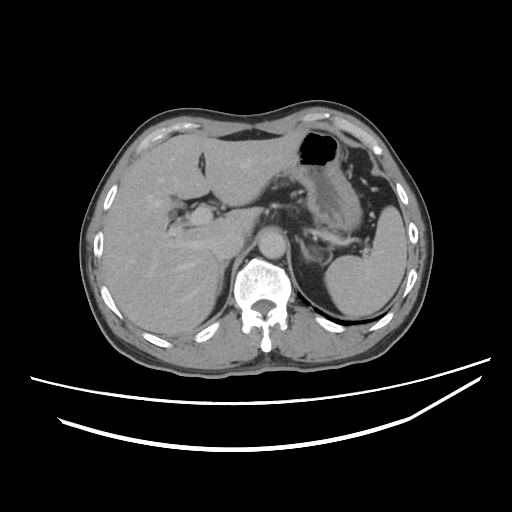
Computed tomography, abdomen · axial view · 58-year-old male patient
Organ boxes in pixel coordinates; each row gives the top-left (x1, y1) and bottom-right (x2, y2) corners.
| organ | x1 | y1 | x2 | y2 |
|---|---|---|---|---|
| aorta | 258 | 230 | 286 | 258 |
| spleen | 324 | 206 | 406 | 316 |
| left adrenal gland | 296 | 236 | 320 | 261 |
| liver | 102 | 131 | 307 | 336 |
| right adrenal gland | 217 | 261 | 230 | 294 |
| stomach | 283 | 131 | 360 | 229 |
| inferior vena cava | 208 | 229 | 243 | 258 |